Computed tomography, abdomen. axial view. 15 organs annotated in this scan (a whole-scan count: organs this slice does not pass through have no box)
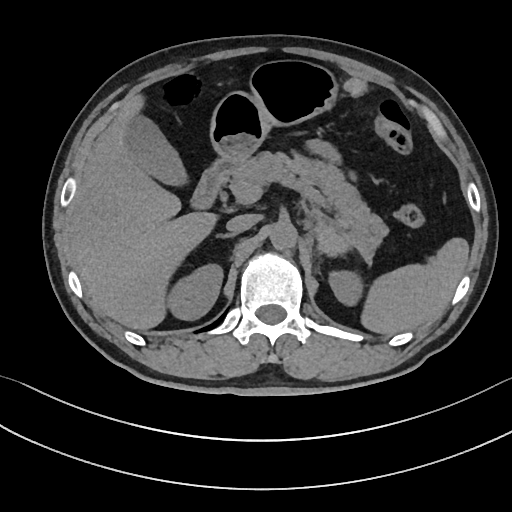 {"organs":{"right adrenal gland":[215,233,237,238],"spleen":[360,238,468,335],"duodenum":[192,156,240,208],"stomach":[209,60,338,163],"inferior vena cava":[226,214,259,232],"liver":[67,94,215,329],"right kidney":[170,265,222,319],"pancreas":[230,151,386,245],"gall bladder":[127,117,185,186],"left kidney":[329,271,361,304],"aorta":[270,222,297,250]}}